CT, abdomen/pelvis; axial view
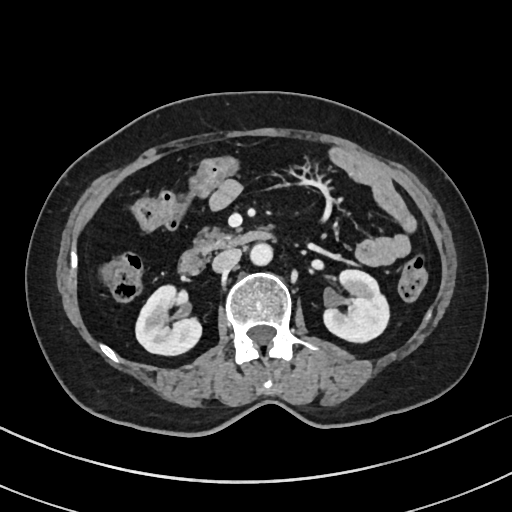 <organs><organ name="right kidney" x1="135" y1="284" x2="201" y2="354"/><organ name="left kidney" x1="323" y1="270" x2="389" y2="341"/><organ name="aorta" x1="250" y1="242" x2="272" y2="265"/><organ name="inferior vena cava" x1="212" y1="248" x2="241" y2="271"/><organ name="pancreas" x1="197" y1="227" x2="234" y2="251"/><organ name="duodenum" x1="179" y1="230" x2="268" y2="274"/></organs>